Abdominal CT — axial view — scan has 14 labeled organs (counted over the whole 3D scan, not this slice; an organ is boxed only where this slice passes through it)
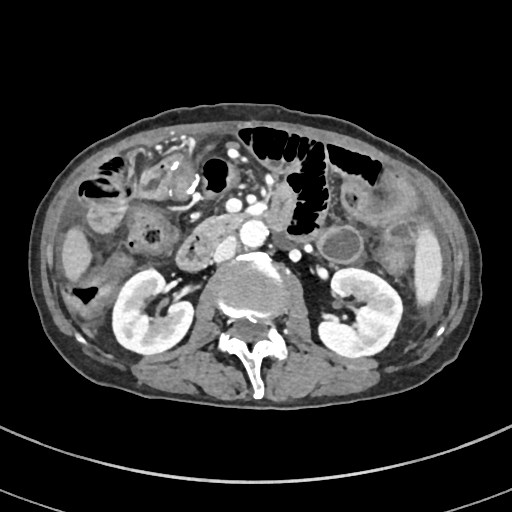 {"organs":{"liver":[62,226,93,281],"aorta":[238,220,266,249],"left kidney":[317,268,401,358],"right kidney":[112,270,194,354],"spleen":[414,228,444,309],"duodenum":[174,185,297,269],"pancreas":[192,214,245,243],"inferior vena cava":[211,237,236,262]}}